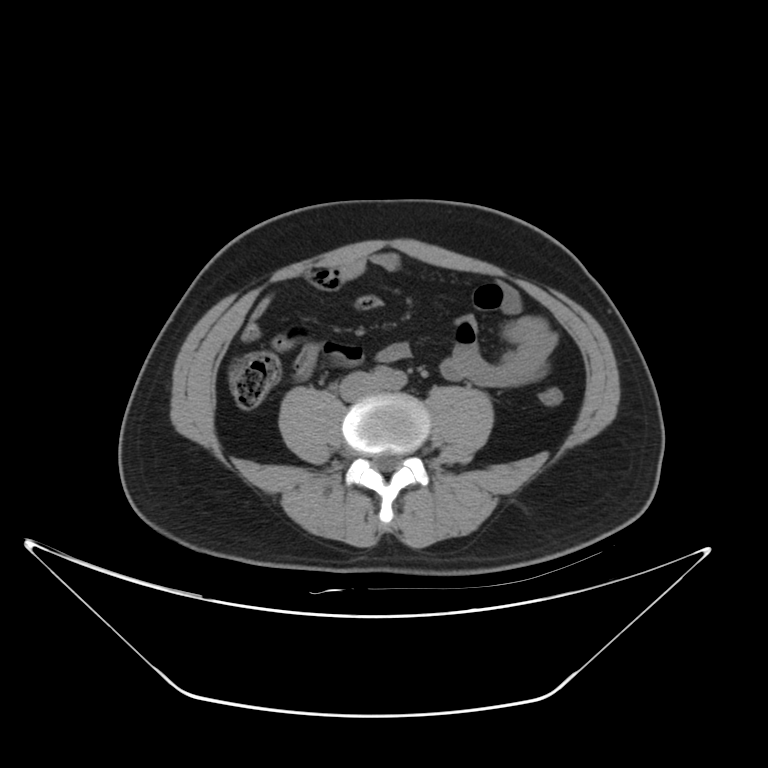

Computed tomography, abdomen — axial view
Boxes: x1:y1:x2:y2 in pixels.
Organ bounding boxes:
- aorta: 374:366:406:388
- inferior vena cava: 340:371:375:400